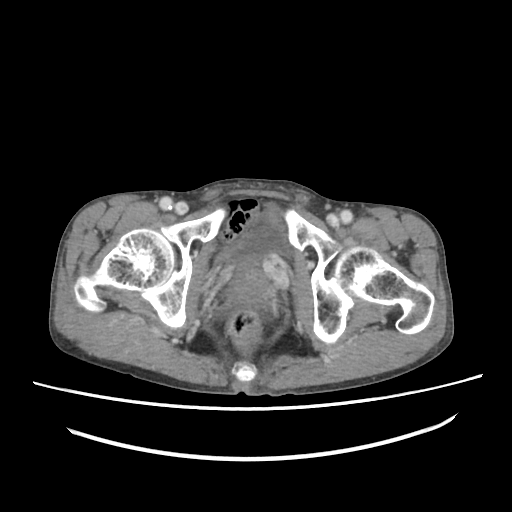
CT abdomen. axial view. Aquilion ONE scanner
<organs><organ name="prostate/uterus" x1="230" y1="262" x2="270" y2="301"/><organ name="bladder" x1="219" y1="221" x2="288" y2="264"/></organs>